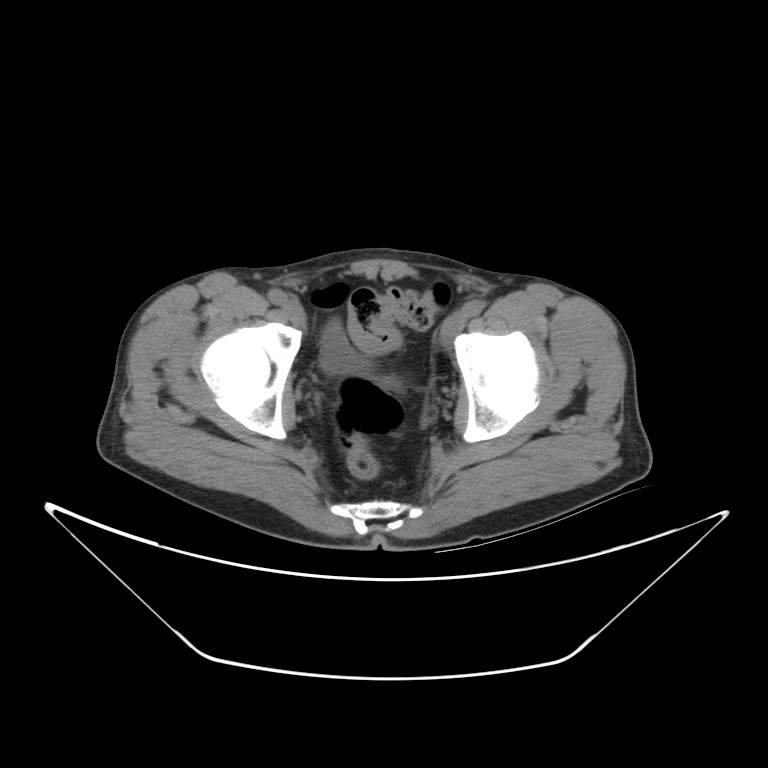

CT, abdomen/pelvis. axial view. soft-tissue window (W 400 / L 40). Brilliance16 scanner
Boxes: x1 y1 x2 y2 (pixel coords, space-separated).
Organ bounding boxes:
- bladder: 320 320 374 375